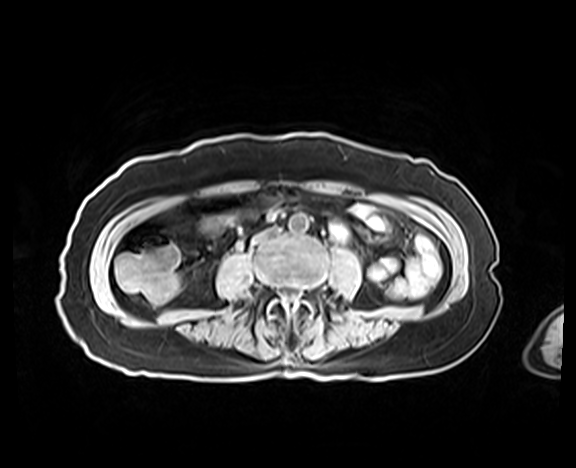 Magnetic resonance imaging, abdomen — axial plane, index 1 — 1st–99th percentile window — 576x468 px — scan has 12 labeled organs (counted over the whole 3D scan, not this slice; an organ is boxed only where this slice passes through it)
Coordinates as <box>x1,y1,x2,y2</box> in pixels.
aorta: <box>288,212,308,233</box>
inferior vena cava: <box>250,226,279,244</box>